Abdominal CT. axial view. soft-tissue window. 15 organs annotated in this scan (a whole-scan count: organs this slice does not pass through have no box)
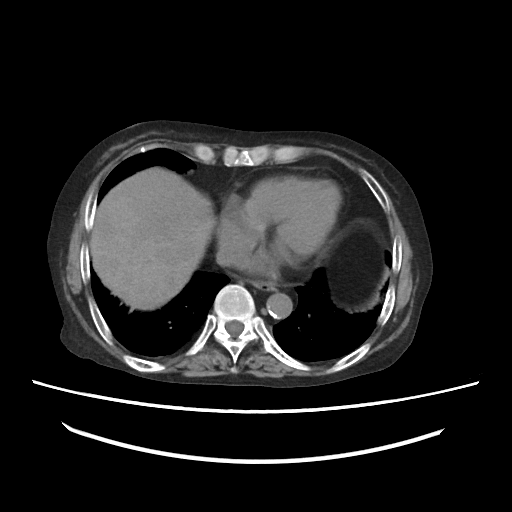 Boxes: x1:y1:x2:y2 in pixels.
esophagus: 252:281:276:291
liver: 90:167:215:310
aorta: 266:293:292:318
inferior vena cava: 216:234:253:268